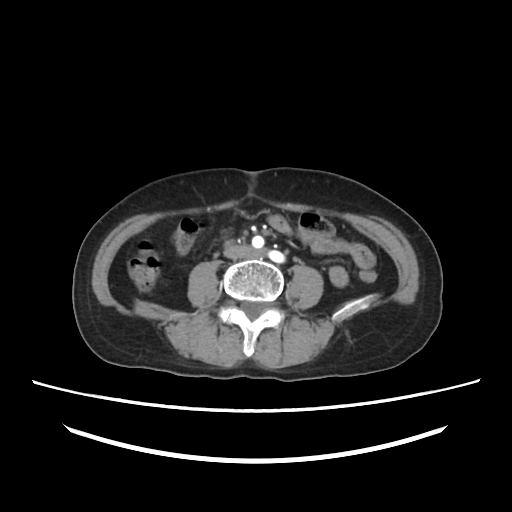 CT, abdomen/pelvis · axial view · abdomen soft-tissue window
Boxes: x1 y1 x2 y2 (pixel coords, space-separated).
inferior vena cava: 224 245 251 258